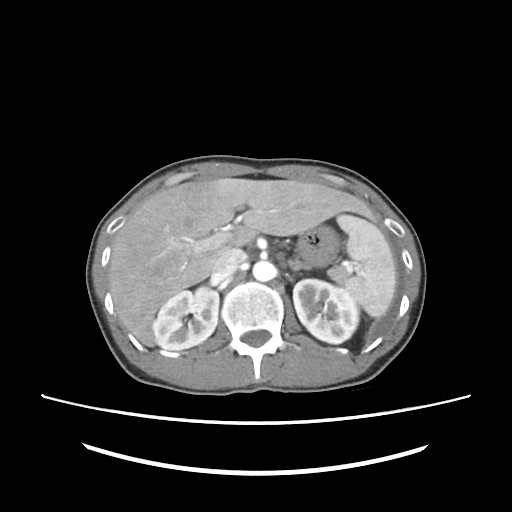
Computed tomography, abdomen; Axial slice 64/88; W/L 400/40 HU
<organs><organ name="left adrenal gland" x1="288" y1="260" x2="308" y2="271"/><organ name="stomach" x1="296" y1="225" x2="338" y2="267"/><organ name="inferior vena cava" x1="212" y1="248" x2="246" y2="279"/><organ name="aorta" x1="252" y1="261" x2="275" y2="281"/><organ name="left kidney" x1="293" y1="279" x2="359" y2="343"/><organ name="liver" x1="108" y1="178" x2="378" y2="346"/><organ name="spleen" x1="337" y1="214" x2="396" y2="317"/><organ name="right kidney" x1="152" y1="287" x2="218" y2="350"/></organs>